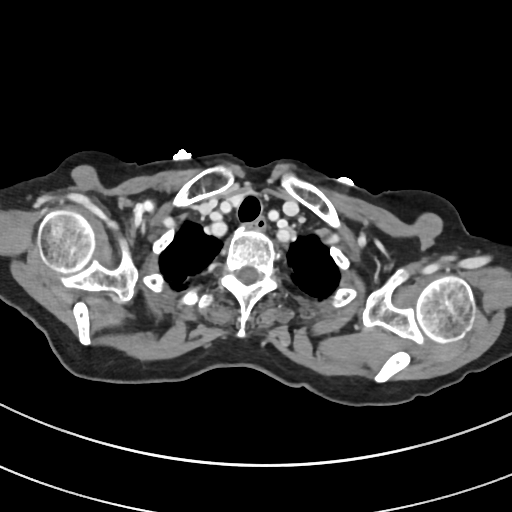

Chest-level CT slice, above the liver and spleen · axial view · 512x512 px
At this level of the chest no structure but the esophagus and the aorta has a label in this dataset, and those two are boxed only where they are labeled. Boxes: x1 y1 x2 y2 (pixel coords, space-separated). 1 labeled organ on this slice — esophagus at 252 218 265 229.